Chest-level CT slice, above the liver and spleen — axial view
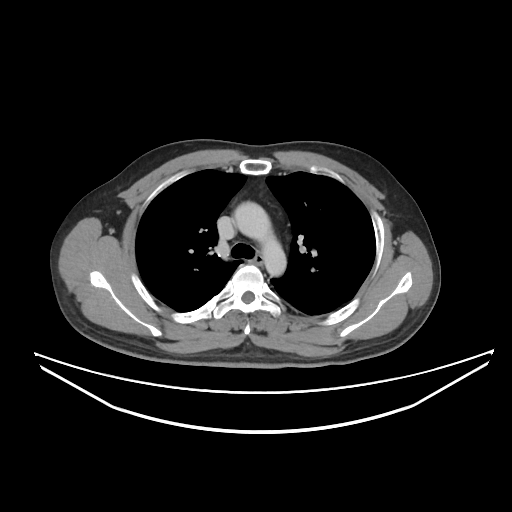
At this level of the chest this dataset labels only the esophagus and the aorta, and each is boxed only where it is labeled; the heart and lungs are never labeled. Each box given as x1,y1,x2,y2. The annotated organs in this slice are: esophagus at x1=250, y1=252, x2=263, y2=266, aorta at x1=234, y1=201, x2=286, y2=275.